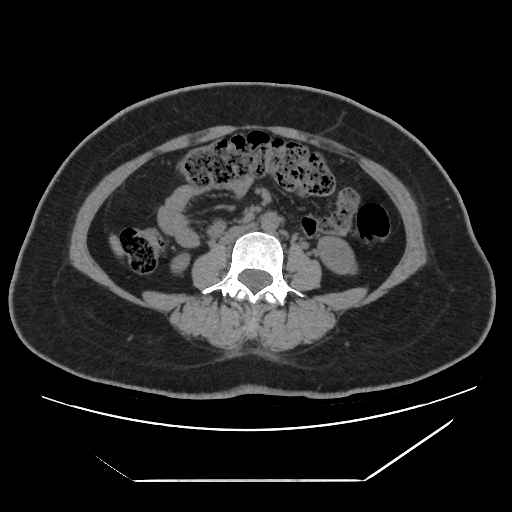

CT, abdomen/pelvis. axial plane, index 167. 15 organs annotated in this scan (counted over the whole 3D scan, not this slice; an organ is boxed only where this slice passes through it)
<organs><organ name="right kidney" x1="173" y1="256" x2="187" y2="270"/><organ name="left kidney" x1="319" y1="237" x2="353" y2="273"/><organ name="liver" x1="111" y1="236" x2="126" y2="255"/><organ name="aorta" x1="261" y1="212" x2="279" y2="232"/><organ name="inferior vena cava" x1="220" y1="225" x2="252" y2="243"/></organs>